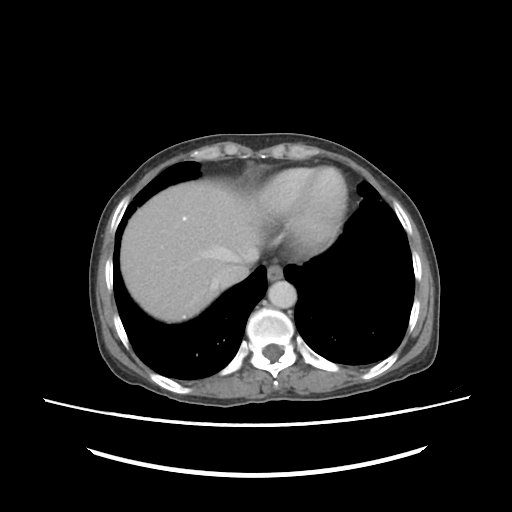
Computed tomography, abdomen — axial view — soft-tissue window
Boxes are (x1, y1, x2, y2) in pixels.
Organ bounding boxes:
- esophagus: (268, 265, 282, 281)
- aorta: (268, 280, 296, 308)
- liver: (120, 179, 263, 322)
- inferior vena cava: (216, 254, 257, 285)